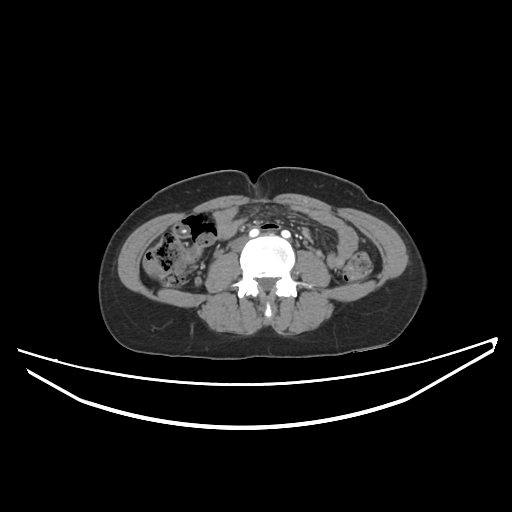 CT abdomen; axial view; scan has 15 labeled organs (that count is for the whole scan; organs this slice misses have no box)
Box edges are left/top/right/bottom in pixels. 1 labeled organ on this slice — inferior vena cava at left=232, top=237, right=245, bottom=248.